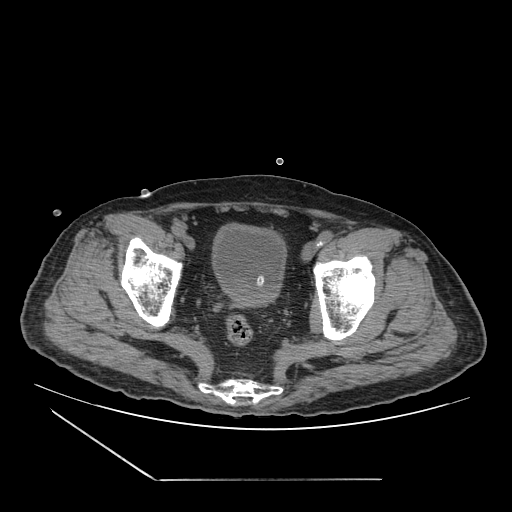 Computed tomography, abdomen · axial view
Bounding boxes in pixels, one row per box: x1, y1 is the top-left corner and x2, y2 the bottom-right.
| organ | x1 | y1 | x2 | y2 |
|---|---|---|---|---|
| bladder | 212 | 223 | 286 | 305 |